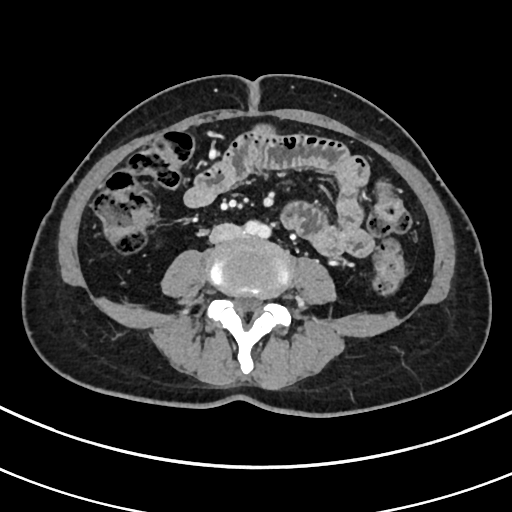

Computed tomography, abdomen. axial view. 15 organs annotated in this scan (counted over the whole 3D scan, not this slice; an organ is boxed only where this slice passes through it)
Coordinates as <box>x1,y1,x2,y2</box> in pixels. Labeled organs on this slice: inferior vena cava at <box>210,223,245,243</box>, aorta at <box>246,220,269,237</box>.